CT abdomen — Axial slice 52/82 — soft-tissue window — 30-year-old male patient
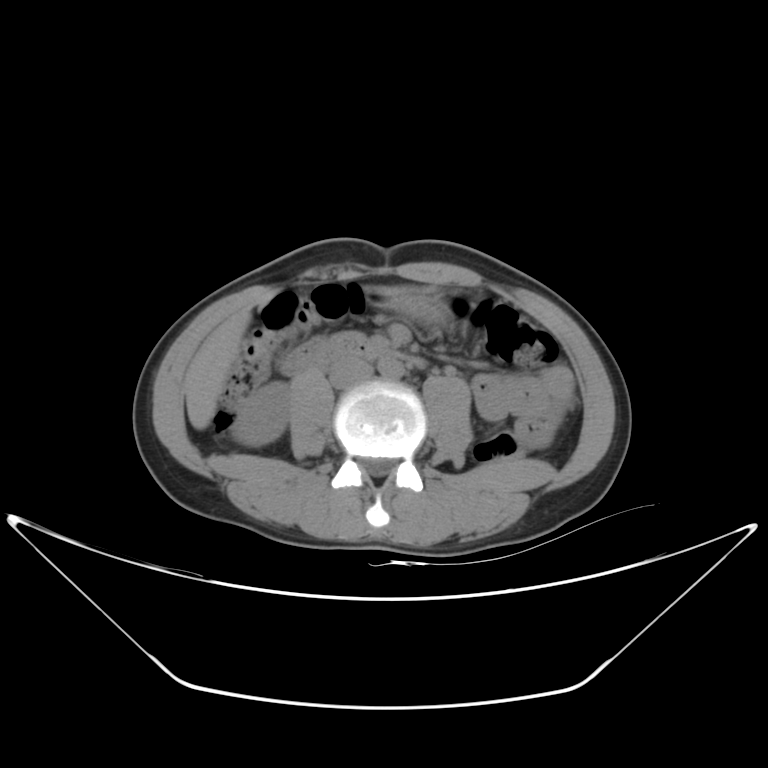 <organs><organ name="right kidney" x1="232" y1="381" x2="290" y2="446"/><organ name="liver" x1="184" y1="311" x2="251" y2="429"/><organ name="stomach" x1="388" y1="287" x2="442" y2="321"/><organ name="aorta" x1="378" y1="357" x2="404" y2="380"/><organ name="inferior vena cava" x1="329" y1="357" x2="373" y2="389"/><organ name="duodenum" x1="277" y1="335" x2="428" y2="375"/></organs>